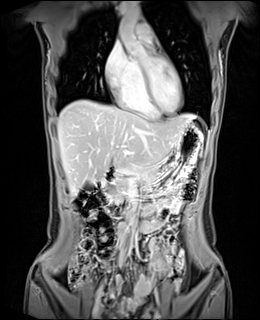
Abdominal MRI; coronal acquisition; 260x320 px; scan has 13 labeled organs (counted over the whole 3D scan, not this slice; an organ is boxed only where this slice passes through it)
Organ boxes in pixel coordinates; each row gives the top-left (x1, y1) and bottom-right (x2, y2) corners.
| organ | x1 | y1 | x2 | y2 |
|---|---|---|---|---|
| gall bladder | 83 | 182 | 95 | 191 |
| liver | 57 | 100 | 195 | 195 |
| stomach | 141 | 122 | 203 | 189 |
| aorta | 119 | 3 | 140 | 37 |
| pancreas | 104 | 164 | 158 | 200 |
| duodenum | 95 | 167 | 144 | 213 |